CT, abdomen/pelvis. axial view. soft-tissue window. 15 organs annotated in this scan (a whole-scan count: organs this slice does not pass through have no box)
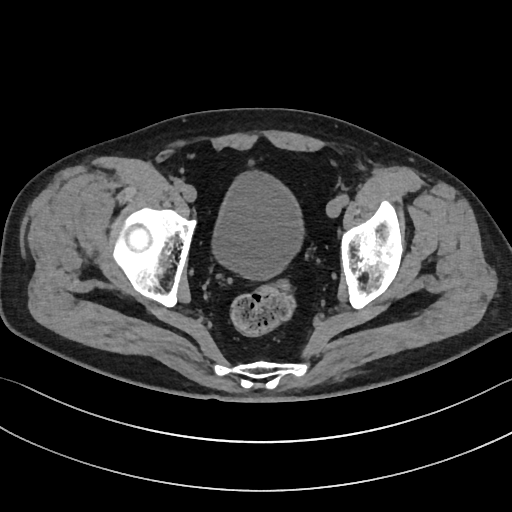 Coordinates as <box>x1,y1,x2,y2</box> in pixels. Labeled organs on this slice: bladder at <box>210,169,305,280</box>.